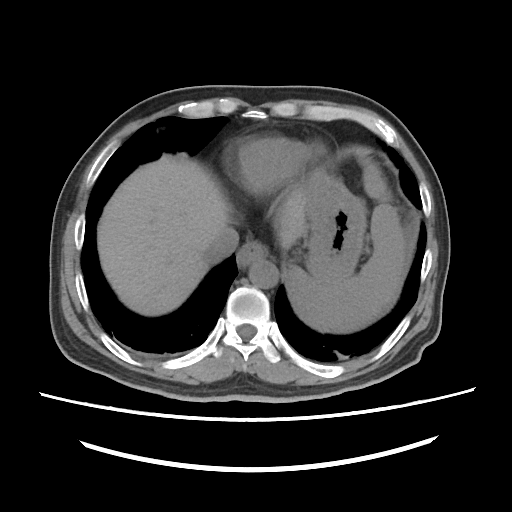

CT abdomen · axial view · W/L 400/40 HU · 49-year-old male patient · Aquilion ONE scanner
Organ boxes in pixel coordinates; each row gives the top-left (x1, y1) and bottom-right (x2, y2) corners.
| organ | x1 | y1 | x2 | y2 |
|---|---|---|---|---|
| spleen | 286 | 147 | 405 | 332 |
| esophagus | 237 | 242 | 267 | 266 |
| liver | 98 | 156 | 306 | 315 |
| stomach | 303 | 172 | 366 | 281 |
| aorta | 249 | 259 | 277 | 288 |
| inferior vena cava | 205 | 227 | 238 | 262 |